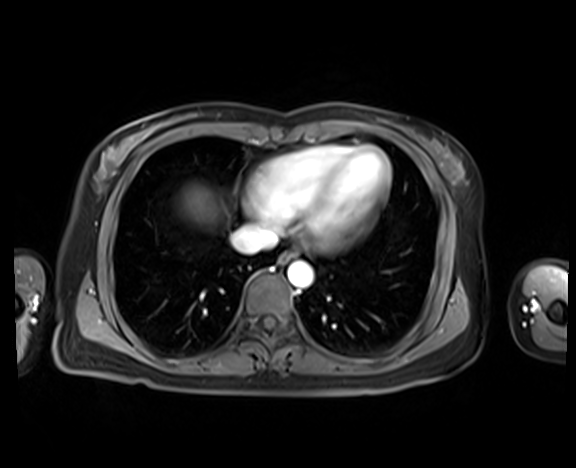
MRI, abdomen · axial view · 576x468 px
Box edges are left/top/right/bottom in pixels. Labeled organs on this slice: esophagus at left=279, top=251, right=296, bottom=262, liver at left=184, top=187, right=213, bottom=222, aorta at left=288, top=261, right=313, bottom=287, inferior vena cava at left=230, top=224, right=278, bottom=254.